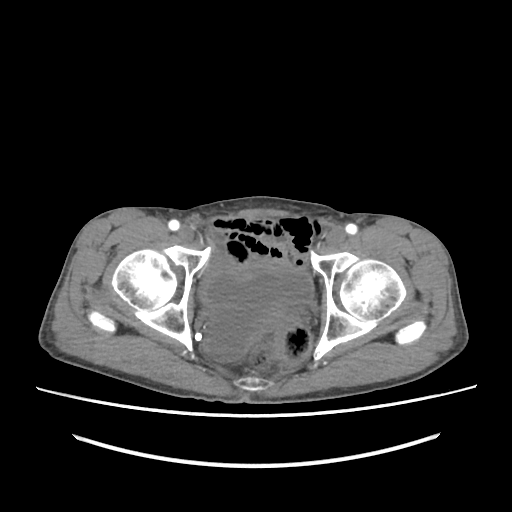 CT, abdomen/pelvis — axial plane, index 13 — soft-tissue window (W 400 / L 40)
Coordinates as <box>x1,y1,x2,y2</box> in pixels.
bladder: <box>200,262,313,359</box>